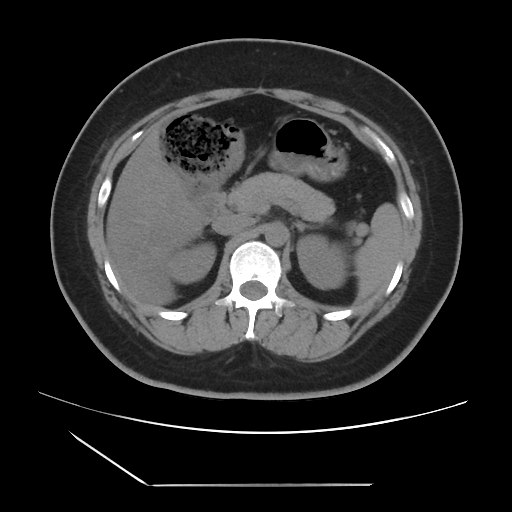 CT, abdomen/pelvis — axial plane, index 61 — soft-tissue window (W 400 / L 40) — 512x512 px
Boxes are (x1, y1, x2, y2) in pixels.
Organ bounding boxes:
- spleen: (353, 203, 403, 301)
- right kidney: (169, 246, 215, 283)
- left kidney: (297, 235, 346, 289)
- liver: (106, 130, 203, 306)
- stomach: (273, 118, 347, 181)
- aorta: (264, 222, 287, 246)
- inferior vena cava: (212, 214, 252, 235)
- pancreas: (226, 172, 335, 222)
- left adrenal gland: (294, 221, 315, 232)
- duodenum: (191, 189, 225, 222)